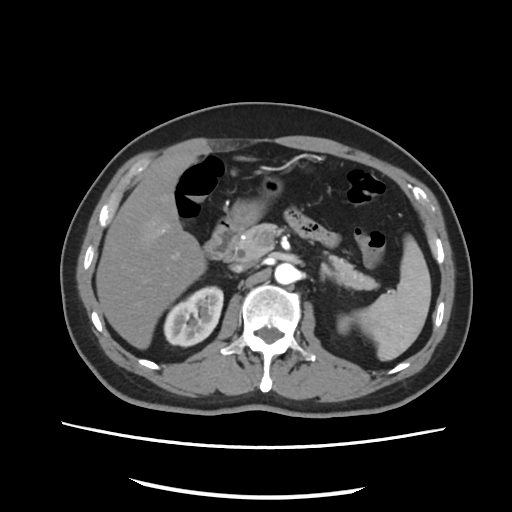 Computed tomography, abdomen; axial view
<organs><organ name="spleen" x1="351" y1="236" x2="430" y2="360"/><organ name="right kidney" x1="163" y1="286" x2="223" y2="346"/><organ name="left kidney" x1="337" y1="313" x2="350" y2="335"/><organ name="liver" x1="95" y1="152" x2="254" y2="348"/><organ name="stomach" x1="226" y1="173" x2="284" y2="228"/><organ name="aorta" x1="274" y1="263" x2="296" y2="285"/><organ name="inferior vena cava" x1="230" y1="261" x2="252" y2="272"/><organ name="pancreas" x1="224" y1="223" x2="376" y2="289"/><organ name="left adrenal gland" x1="320" y1="263" x2="332" y2="279"/><organ name="duodenum" x1="203" y1="218" x2="241" y2="259"/></organs>